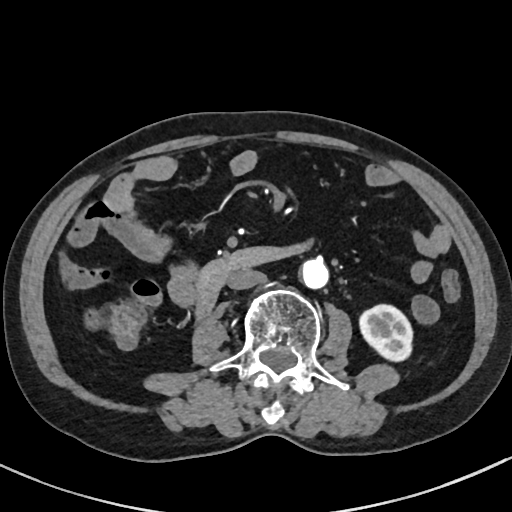
Abdominal CT — axial view
Each box given as x1,y1,x2,y2.
left kidney: x1=360, y1=303, x2=411, y2=361
aorta: x1=299, y1=257, x2=328, y2=288
inferior vena cava: x1=227, y1=268, x2=265, y2=289
duodenum: x1=196, y1=243, x2=307, y2=319